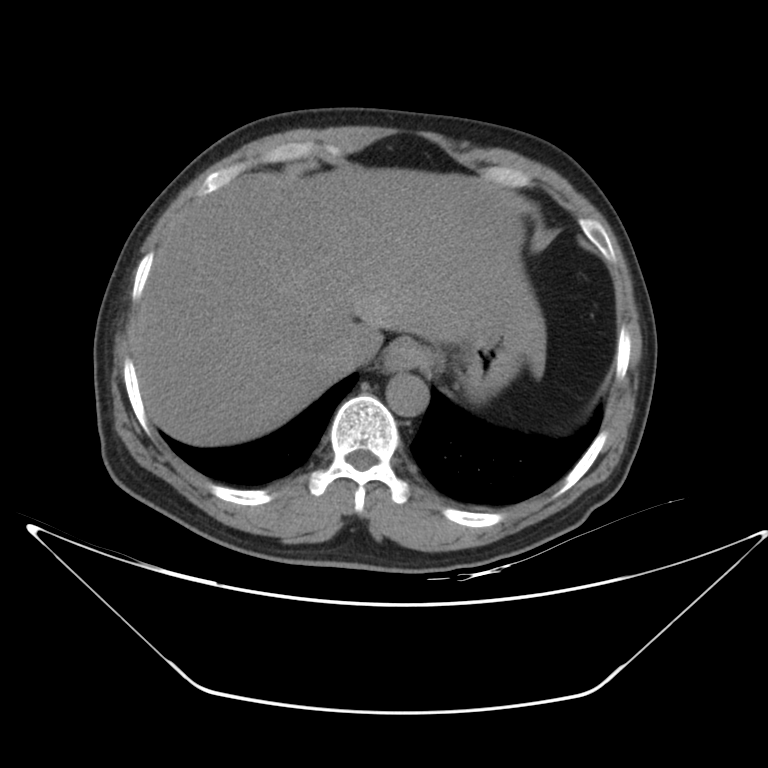 CT, abdomen/pelvis · axial plane, index 85 · 768x768 px · 45-year-old male patient · Brilliance16 scanner
Boxes are (x1, y1, x2, y2) in pixels. 5 labeled organs on this slice — esophagus at (384, 339, 429, 370); stomach at (429, 314, 526, 402); aorta at (385, 373, 429, 416); inferior vena cava at (323, 328, 380, 366); liver at (137, 166, 545, 446).